Computed tomography, abdomen; axial view; 61-year-old female patient; scan has 14 labeled organs (that count is for the whole scan; organs this slice misses have no box)
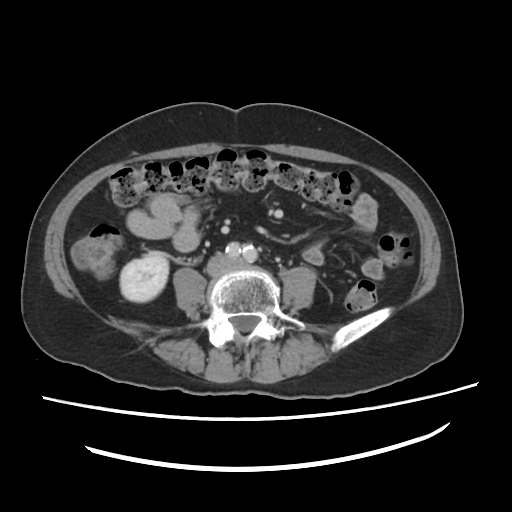
<organs><organ name="right kidney" x1="120" y1="252" x2="167" y2="302"/><organ name="inferior vena cava" x1="206" y1="253" x2="232" y2="275"/></organs>